Chest-level slice from an abdominal CT that extends up into the chest · axial view · soft-tissue window, W/L 400/40 · 15 organs annotated in this scan (a whole-scan count: organs this slice does not pass through have no box)
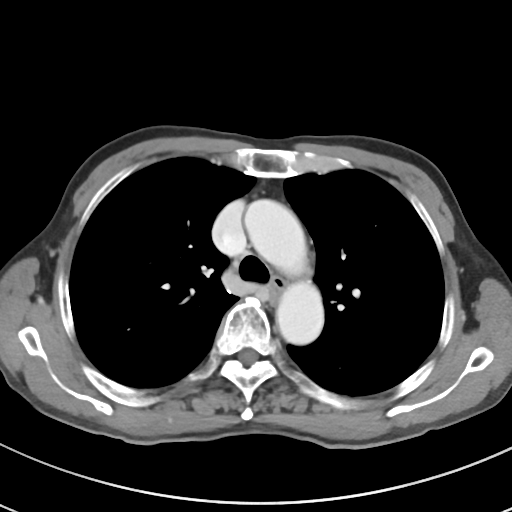

At this level of the chest no structure but the esophagus and the aorta has a label in this dataset, and those two are boxed only where they are labeled.
{"organs":{"esophagus":[269,273,287,300],"aorta":[244,199,323,345]}}